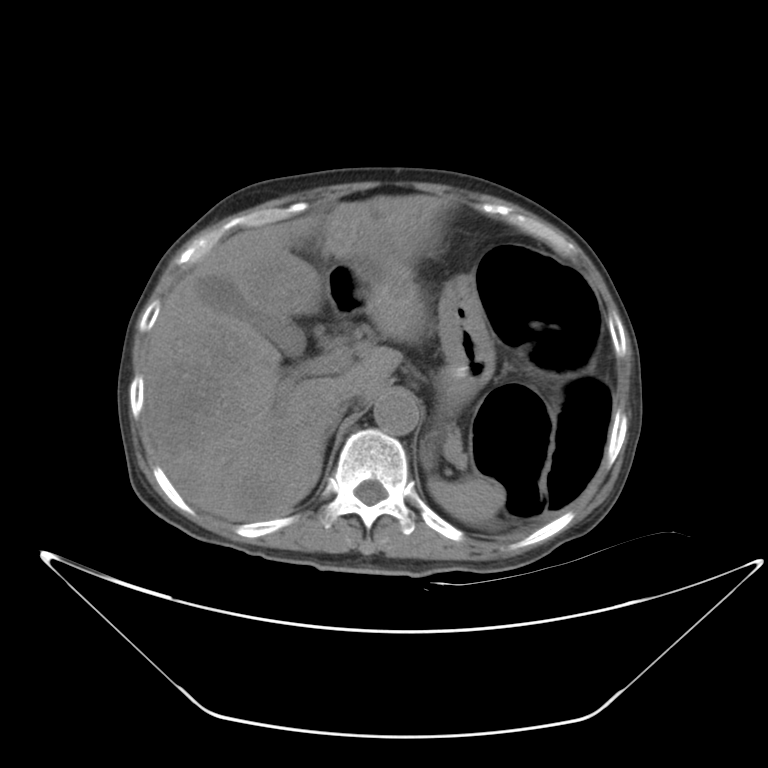 CT, abdomen/pelvis — axial view — soft-tissue window (W 400 / L 40) — 64-year-old male patient — 15 organs annotated in this scan (counted over the whole 3D scan, not this slice; an organ is boxed only where this slice passes through it)
Boxes: x1:y1:x2:y2 in pixels.
Organ bounding boxes:
- spleen: 427:476:505:526
- gall bladder: 199:277:306:356
- liver: 144:196:442:521
- stomach: 422:271:528:467
- aorta: 374:392:419:435
- inferior vena cava: 332:388:361:416
- pancreas: 445:432:460:458
- right adrenal gland: 327:419:338:438
- duodenum: 326:267:360:312